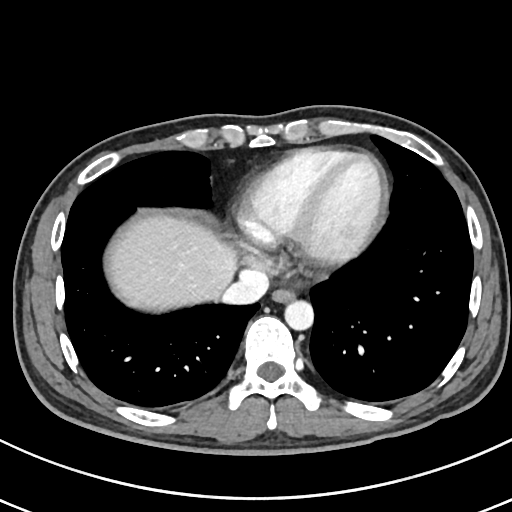
Abdominal CT; axial plane, index 203; 512x512 px; SOMATOM Force scanner
<organs><organ name="esophagus" x1="271" y1="288" x2="295" y2="302"/><organ name="liver" x1="110" y1="213" x2="236" y2="308"/><organ name="aorta" x1="285" y1="300" x2="314" y2="330"/><organ name="inferior vena cava" x1="223" y1="269" x2="269" y2="303"/></organs>